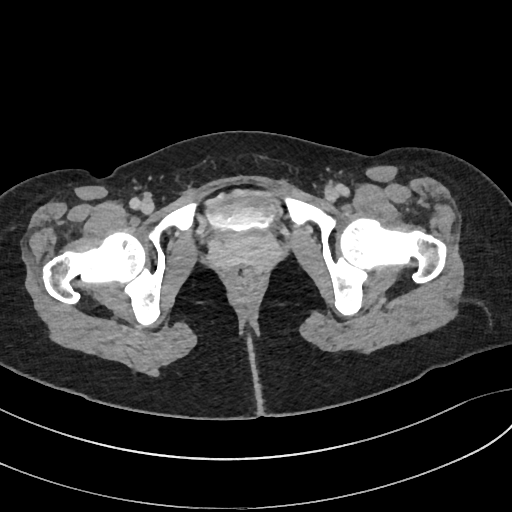 CT, abdomen/pelvis · axial view · W/L 400/40 HU · 512x512 px
Coordinates as <box>x1,y1,x2,y2</box> in pixels.
bladder: <box>207,191,279,232</box>